Abdominal CT — axial plane, index 50 — soft-tissue window — 51-year-old male patient — scan has 15 labeled organs (counted over the whole 3D scan, not this slice; an organ is boxed only where this slice passes through it)
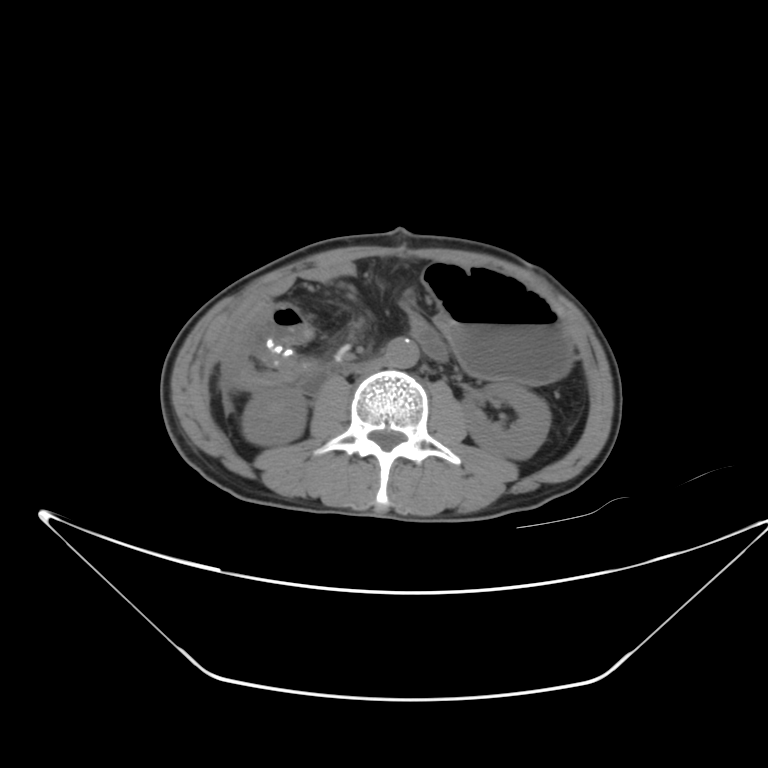
<organs><organ name="right kidney" x1="240" y1="387" x2="306" y2="445"/><organ name="left kidney" x1="462" y1="384" x2="547" y2="461"/><organ name="stomach" x1="424" y1="261" x2="571" y2="382"/><organ name="aorta" x1="383" y1="337" x2="419" y2="368"/><organ name="inferior vena cava" x1="348" y1="358" x2="382" y2="375"/><organ name="duodenum" x1="302" y1="360" x2="351" y2="392"/></organs>